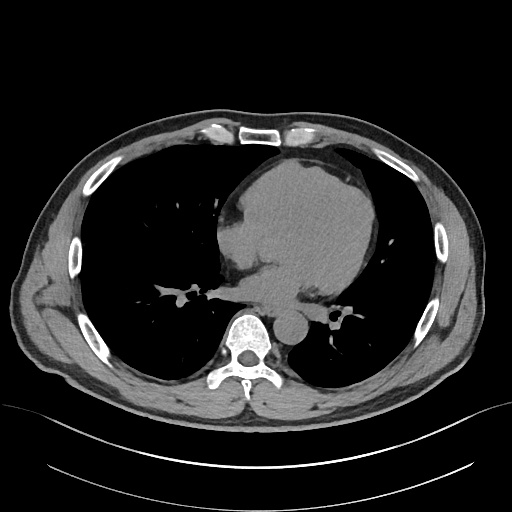 Lower-chest slice from an abdominal CT, just above the liver and spleen; axial plane, index 259; 512x512 px; SOMATOM Force scanner
No part of the heart or lungs is labeled in this dataset, so neither has a box here. Each box given as x1,y1,x2,y2. Labeled organs on this slice: esophagus at x1=261, y1=306, x2=278, y2=314, aorta at x1=273, y1=310, x2=308, y2=344.